Computed tomography, abdomen · axial view · scan has 15 labeled organs (that count is for the whole scan; organs this slice misses have no box)
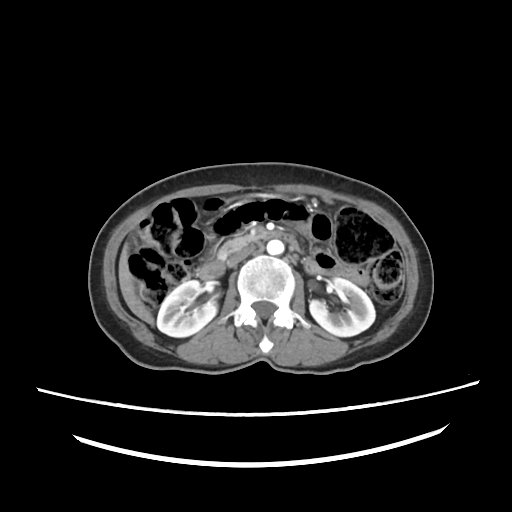
Bounding boxes as [x1, y1, x2, y2] in pixel coordinates.
right kidney: [157, 280, 217, 337]
left kidney: [309, 278, 374, 336]
liver: [119, 242, 154, 323]
aorta: [267, 240, 283, 254]
inferior vena cava: [226, 245, 254, 267]
pancreas: [218, 235, 256, 256]
duodenum: [198, 231, 276, 278]